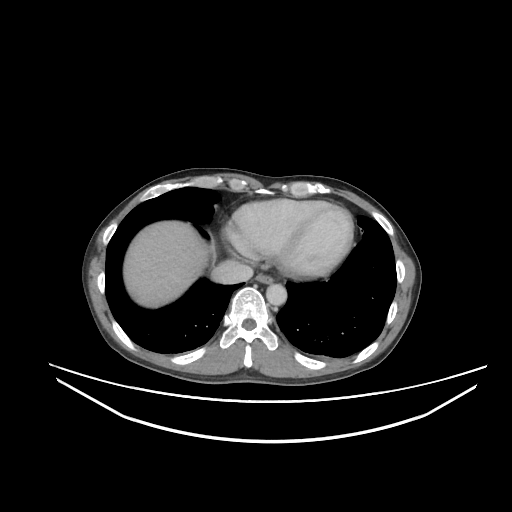

CT abdomen — axial view — abdomen soft-tissue window
{"organs":{"esophagus":[256,274,273,283],"liver":[123,220,210,307],"aorta":[266,284,286,305],"inferior vena cava":[211,260,253,284]}}